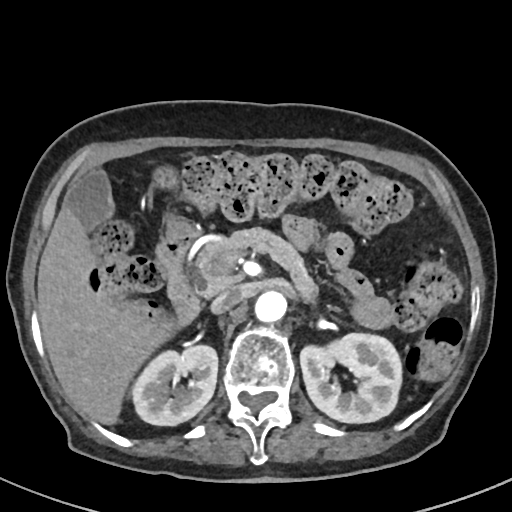

CT, abdomen/pelvis. axial plane, index 145. acquired on SOMATOM Force
Box edges are left/top/right/bottom in pixels. Labeled organs on this slice: gall bladder at left=64, top=169, right=114, bottom=230, right kidney at left=132, top=345, right=218, bottom=425, stomach at left=165, top=215, right=194, bottom=235, left kidney at left=300, top=333, right=402, bottom=423, inferior vena cava at left=210, top=285, right=243, bottom=314, aorta at left=255, top=290, right=286, bottom=322, liver at left=37, top=204, right=175, bottom=424, duodenum at left=156, top=232, right=199, bottom=325, pancreas at left=194, top=227, right=317, bottom=303.